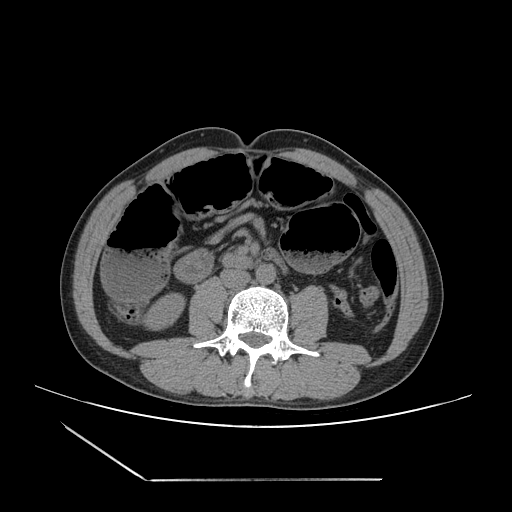
Abdominal CT. axial view. 512x512 px
Organ boxes in pixel coordinates; each row gives the top-left (x1, y1) and bottom-right (x2, y2) corners.
| organ | x1 | y1 | x2 | y2 |
|---|---|---|---|---|
| right kidney | 143 | 293 | 184 | 330 |
| aorta | 255 | 264 | 275 | 284 |
| inferior vena cava | 220 | 269 | 250 | 289 |